Abdominal CT — axial view — soft-tissue window — 512x512 px — 15 organs annotated in this scan (counted over the whole 3D scan, not this slice; an organ is boxed only where this slice passes through it)
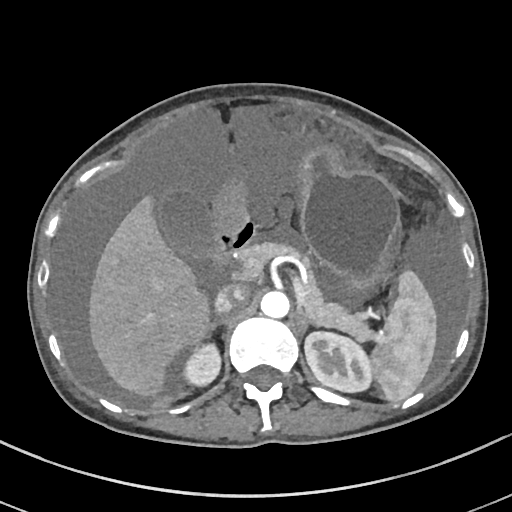 Box edges are left/top/right/bottom in pixels.
Organ bounding boxes:
- inferior vena cava: left=215, top=286, right=247, bottom=313
- duodenum: left=213, top=224, right=255, bottom=266
- left kidney: left=304, top=331, right=372, bottom=392
- gall bladder: left=161, top=192, right=213, bottom=259
- stomach: left=212, top=149, right=399, bottom=295
- left adrenal gland: left=296, top=311, right=313, bottom=334
- pancreas: left=240, top=242, right=372, bottom=340
- right adrenal gland: left=207, top=317, right=228, bottom=337
- liver: left=89, top=195, right=209, bottom=396
- spleen: left=371, top=269, right=436, bottom=401
- right kidney: left=182, top=343, right=220, bottom=385
- aorta: left=260, top=290, right=289, bottom=317